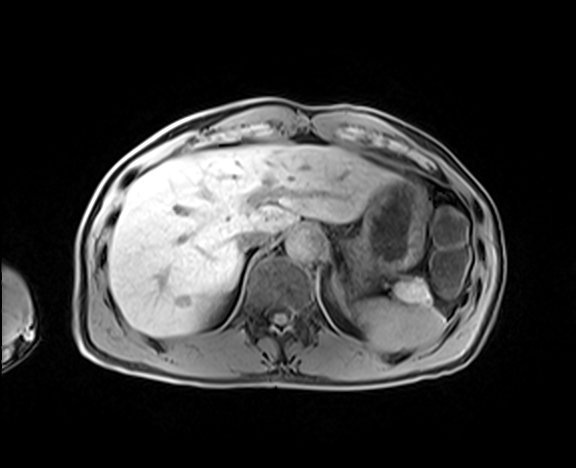

Abdominal MRI — axial view
One row per box, in pixels: columns x1 and y1 give the top-left corner, x2 and y2 the bottom-right.
| organ | x1 | y1 | x2 | y2 |
|---|---|---|---|---|
| spleen | 359 | 298 | 445 | 351 |
| left kidney | 333 | 284 | 346 | 305 |
| liver | 108 | 144 | 397 | 337 |
| stomach | 348 | 178 | 426 | 287 |
| aorta | 285 | 229 | 323 | 260 |
| inferior vena cava | 237 | 229 | 268 | 251 |
| pancreas | 391 | 277 | 433 | 303 |